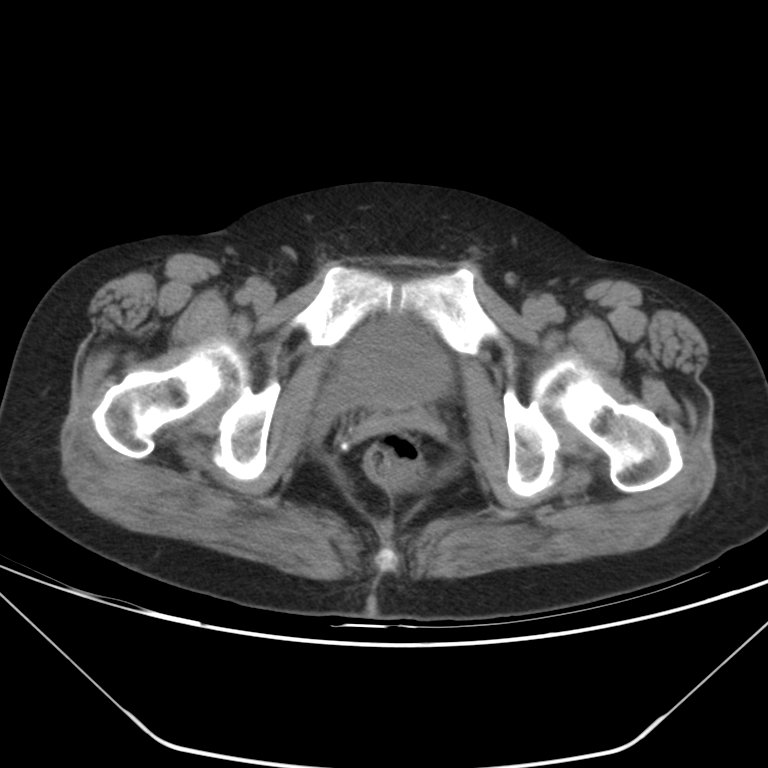
Abdominal CT; axial view; Brilliance16 scanner
{"organs":{"bladder":[317,319,451,428],"prostate/uterus":[403,406,405,407]}}